CT abdomen. Axial slice 62/135. W/L 400/40 HU. 68-year-old male patient. scan has 15 labeled organs (a whole-scan count: organs this slice does not pass through have no box)
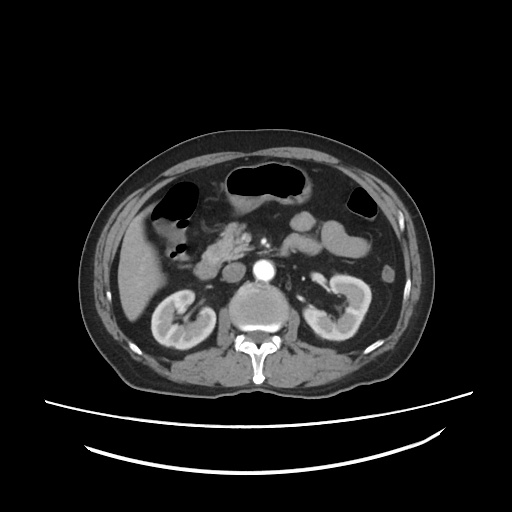 {"organs":{"right kidney":[151,290,215,349],"left kidney":[303,275,371,340],"gall bladder":[158,223,171,236],"liver":[117,204,164,320],"stomach":[224,161,311,213],"aorta":[253,259,274,281],"inferior vena cava":[222,263,245,282],"pancreas":[202,222,252,263],"duodenum":[194,261,218,279]}}